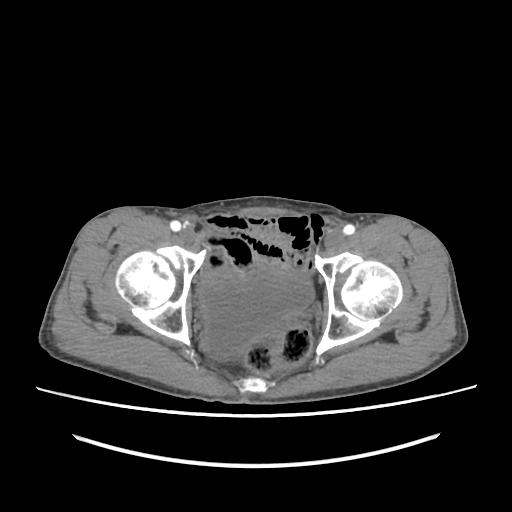

Abdominal CT; axial view; 512x512 px; 62-year-old male patient
Bounding boxes as [x1, y1, x2, y2] in pixel coordinates.
bladder: [200, 268, 313, 359]